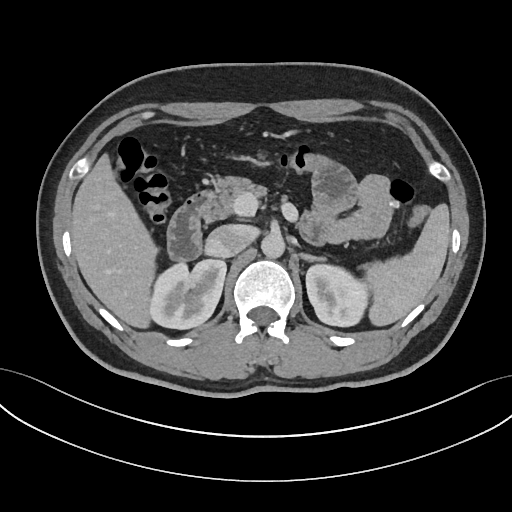

CT, abdomen/pelvis; axial view; W/L 400/40 HU; 512x512 px; acquired on SOMATOM Force; scan has 15 labeled organs (counted over the whole 3D scan, not this slice; an organ is boxed only where this slice passes through it)
Coordinates as <box>x1,y1,x2,y2</box> in pixels. Labeled organs on this slice: spleen at <box>363,203,450,326</box>, right kidney at <box>149,259,226,329</box>, left kidney at <box>306,264,368,326</box>, liver at <box>70,154,158,328</box>, aorta at <box>261,233,284,258</box>, inferior vena cava at <box>205,224,255,257</box>, pancreas at <box>205,176,267,221</box>, left adrenal gland at <box>299,253,324,262</box>, duodenum at <box>167,190,213,259</box>.